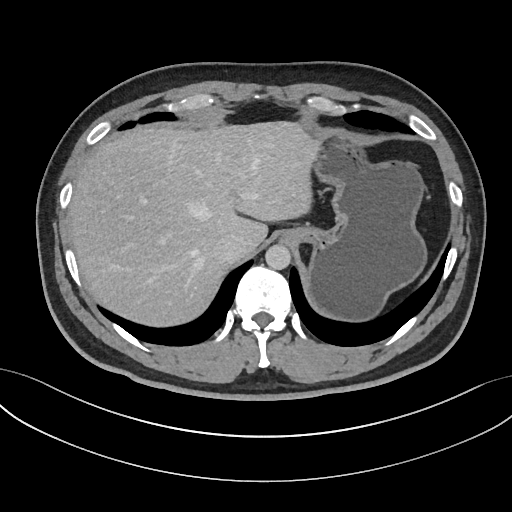 CT, abdomen/pelvis; axial view; 512x512 px
Each box given as x1,y1,x2,y2.
Organ bounding boxes:
- liver: x1=68, y1=121, x2=320, y2=326
- stomach: x1=282, y1=134, x2=426, y2=320
- aorta: x1=265, y1=244, x2=290, y2=269
- inferior vena cava: x1=213, y1=233, x2=245, y2=262